CT abdomen. axial view. soft-tissue window. 512x512 px
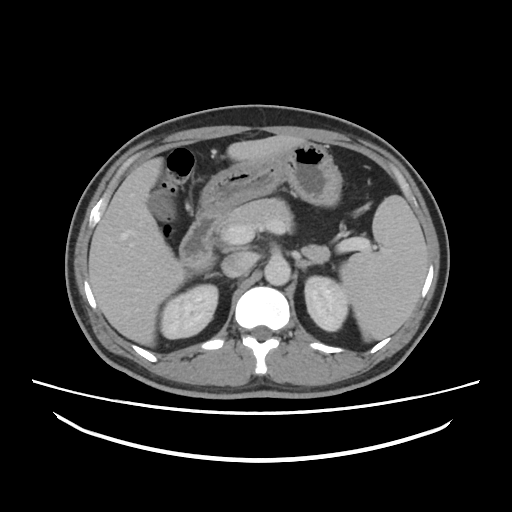 Coordinates as <box>x1,y1,x2,y2</box> in pixels.
Organ bounding boxes:
- spleen: <box>340,195,427,340</box>
- right kidney: <box>161,284,217,339</box>
- left kidney: <box>304,276,348,331</box>
- gall bladder: <box>148,191,174,218</box>
- liver: <box>88,134,306,346</box>
- stomach: <box>200,142,342,214</box>
- aorta: <box>264,258,290,285</box>
- inferior vena cava: <box>221,251,256,277</box>
- pancreas: <box>219,198,329,262</box>
- right adrenal gland: <box>206,273,221,277</box>
- left adrenal gland: <box>296,260,323,269</box>
- duodenum: <box>179,211,222,268</box>